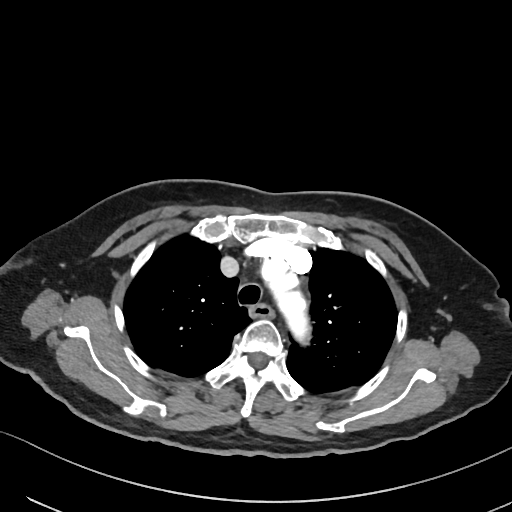
Chest-level CT slice, above the liver and spleen · axial view · SOMATOM Force scanner · scan has 15 labeled organs (counted over the whole 3D scan, not this slice; an organ is boxed only where this slice passes through it)
On a slice this high in the chest, this dataset labels only the esophagus and the aorta, and each is boxed only where it is labeled; the heart, lungs and other chest structures are not labeled.
<organs><organ name="esophagus" x1="250" y1="305" x2="272" y2="317"/><organ name="aorta" x1="259" y1="260" x2="313" y2="347"/></organs>